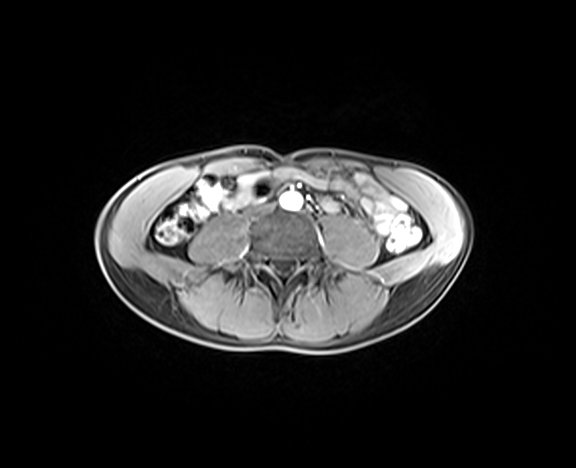

Abdominal MRI; axial view; percentile-normalized; 576x468 px
<organs><organ name="aorta" x1="280" y1="192" x2="302" y2="209"/></organs>